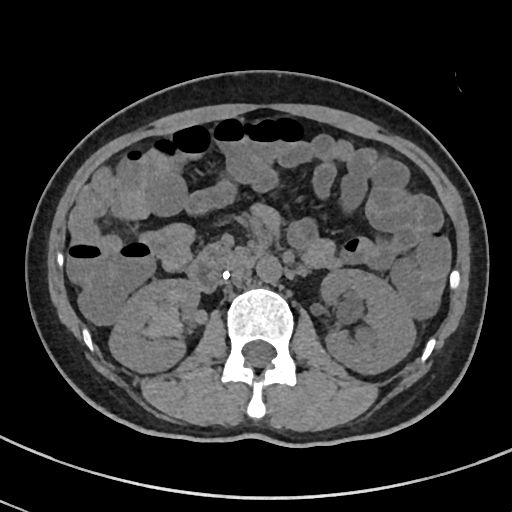

CT, abdomen/pelvis — Axial slice 143/218 — 512x512 px — acquired on SOMATOM Force
Boxes: x1 y1 x2 y2 (pixel coords, space-separated).
Organ bounding boxes:
- right kidney: 110 279 198 370
- left kidney: 320 269 413 372
- aorta: 256 255 281 282
- inferior vena cava: 222 265 246 285
- pancreas: 215 248 243 266
- duodenum: 188 244 250 291